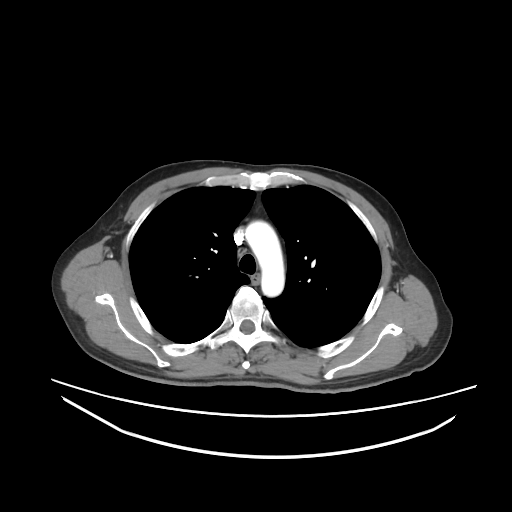

Abdominal CT reaching into the chest; this slice is in the chest. axial view. soft-tissue window, W/L 400/40
At this level of the chest this dataset labels only the esophagus and the aorta, and each is boxed only where it is labeled; the heart and lungs are never labeled.
Coordinates as <box>x1,y1,x2,y2</box> in pixels.
esophagus: <box>251,274,260,286</box>
aorta: <box>245,221,284,296</box>